CT abdomen; axial plane, index 38; soft-tissue window (W 400 / L 40); 15 organs annotated in this scan (that count is for the whole scan; organs this slice misses have no box)
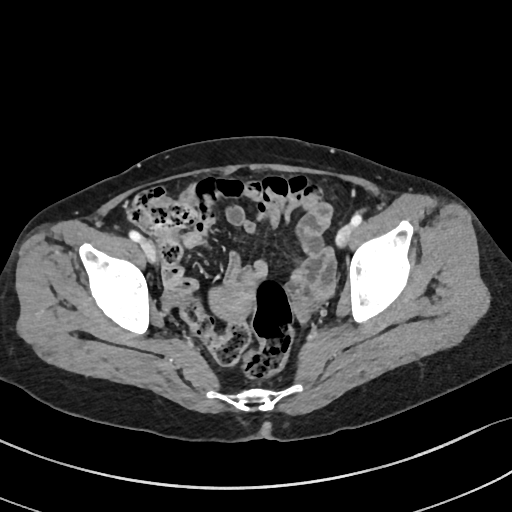
<organs><organ name="prostate/uterus" x1="209" y1="287" x2="254" y2="320"/></organs>